CT, abdomen/pelvis. axial plane, index 133. W/L 400/40 HU. 512x512 px. 14 organs annotated in this scan (a whole-scan count: organs this slice does not pass through have no box)
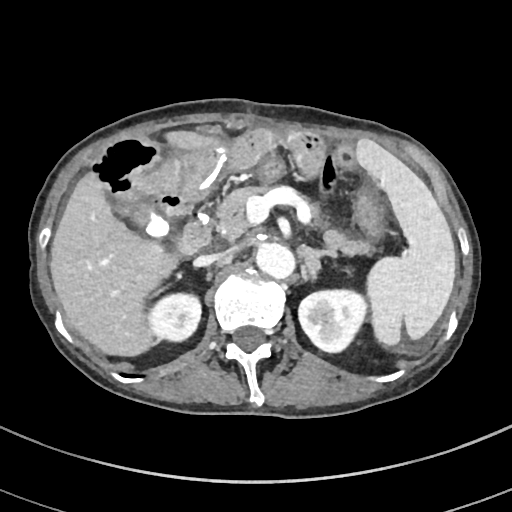

Bounding boxes as [x1, y1, x2, y2] in pixel coordinates. The annotated organs in this slice are: spleen at [356, 139, 456, 347], right kidney at [148, 293, 201, 341], left kidney at [298, 289, 367, 353], gall bladder at [128, 203, 169, 236], liver at [50, 129, 223, 357], aorta at [257, 243, 295, 280], inferior vena cava at [194, 254, 226, 266], pancreas at [219, 183, 378, 257], left adrenal gland at [303, 246, 337, 282], duodenum at [180, 214, 212, 254].